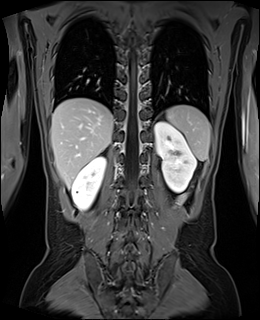
Abdominal MRI — coronal view
Boxes are (x1, y1, x2, y2) in pixels. Labeled organs on this slice: spleen at (166, 105, 210, 160), right kidney at (71, 156, 105, 210), left kidney at (154, 122, 196, 192), liver at (51, 98, 113, 187).